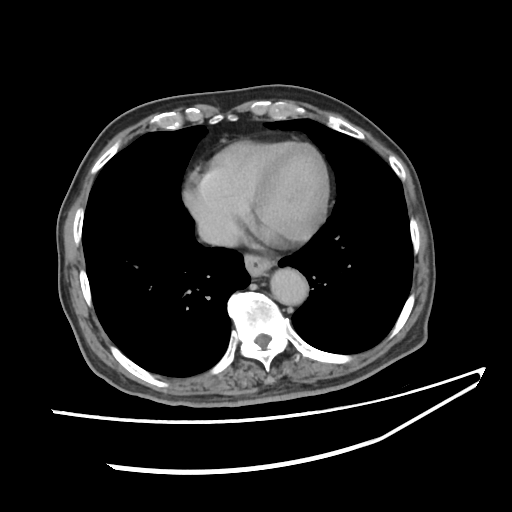
Abdominal CT; this slice is in the lower chest, just above the liver — axial view — W/L 400/40 HU — 512x512 px
Of the structures in the chest, this dataset labels only the esophagus, the aorta and the inferior vena cava; the heart and lungs have no label. Boxes: x1:y1:x2:y2 in pixels. 3 labeled organs on this slice — esophagus at 245:254:281:276; aorta at 270:267:307:304; inferior vena cava at 197:217:240:245.